CT abdomen. axial view
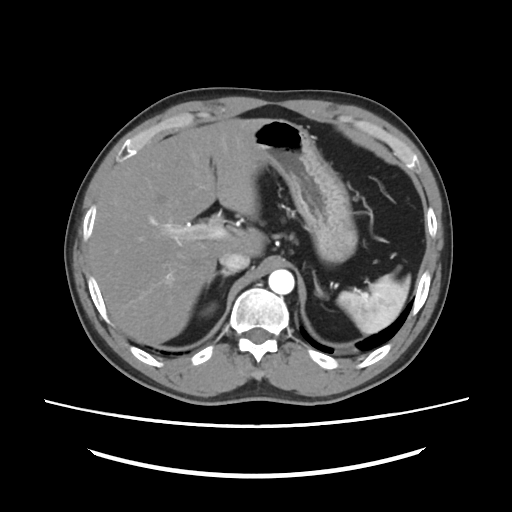 {"organs":{"spleen":[337,274,410,335],"right kidney":[199,304,214,316],"liver":[90,118,265,344],"stomach":[252,118,357,263],"aorta":[268,269,294,294],"inferior vena cava":[219,251,249,271],"right adrenal gland":[206,269,234,284],"left adrenal gland":[313,273,325,297]}}